Abdominal CT. axial view. soft-tissue window. 512x512 px. 49-year-old female patient. acquired on Aquilion ONE
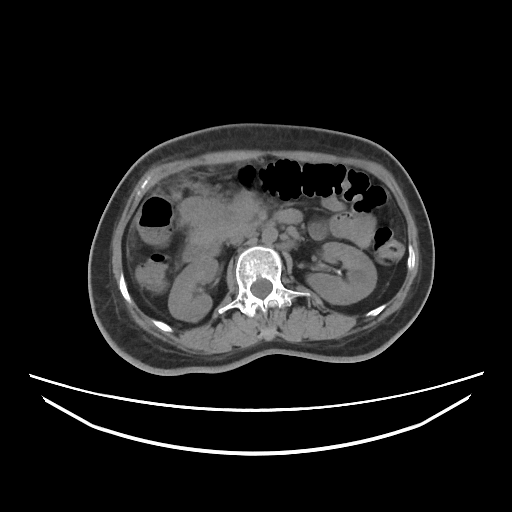

Boxes: x1 y1 x2 y2 (pixel coords, space-separated).
left kidney: 306 242 376 304
aorta: 262 227 277 243
inferior vena cava: 228 227 254 244
pancreas: 199 222 251 241
stomach: 178 193 257 242
duodenum: 182 209 302 261
right kidney: 168 257 218 321